MRI, abdomen; axial view
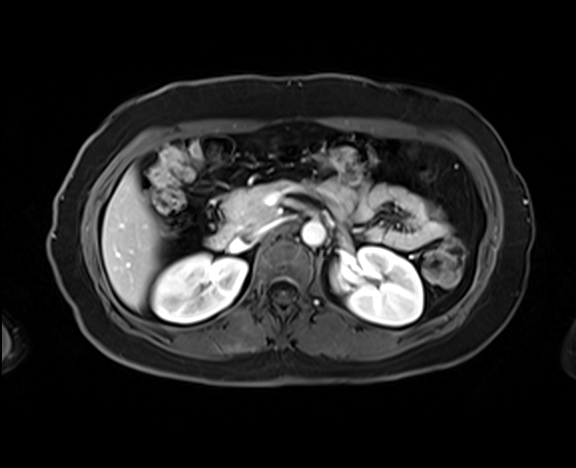
Boxes: x1 y1 x2 y2 (pixel coords, space-separated).
right kidney: 152 254 246 322
left kidney: 331 247 422 325
liver: 102 169 161 309
aorta: 301 221 325 246
inferior vena cava: 250 221 278 238
pancreas: 224 180 344 233
duodenum: 207 228 232 249